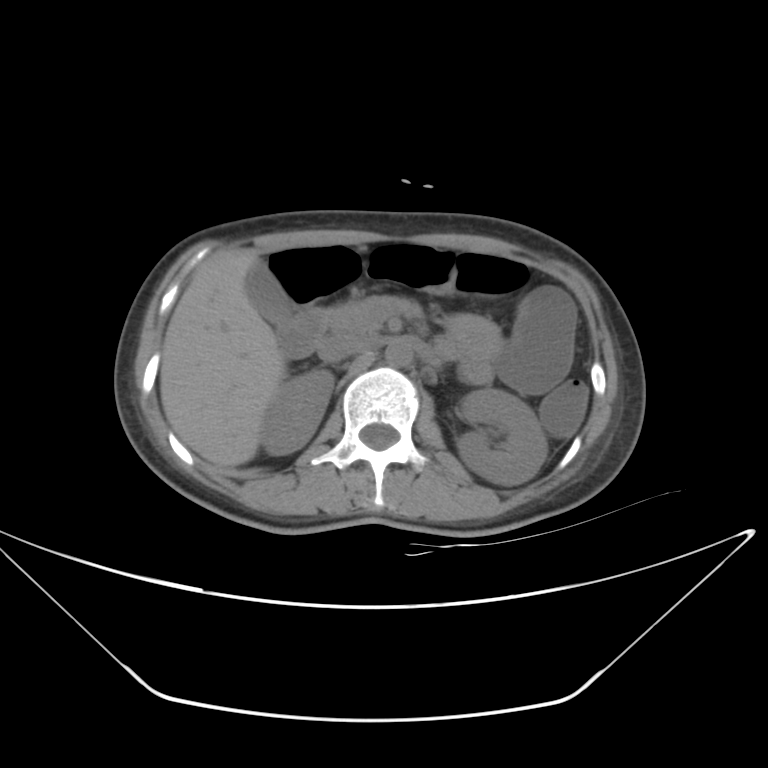
CT, abdomen/pelvis — Axial slice 67/84
Each box given as x1,y1,x2,y2. 8 labeled organs on this slice — right kidney at x1=261, y1=369, x2=333, y2=455; left kidney at x1=457, y1=388, x2=547, y2=485; gall bladder at x1=245, y1=257, x2=291, y2=325; liver at x1=159, y1=248, x2=287, y2=466; aorta at x1=384, y1=339, x2=412, y2=365; inferior vena cava at x1=318, y1=334, x2=370, y2=363; pancreas at x1=330, y1=295, x2=421, y2=332; duodenum at x1=277, y1=307, x2=329, y2=358.